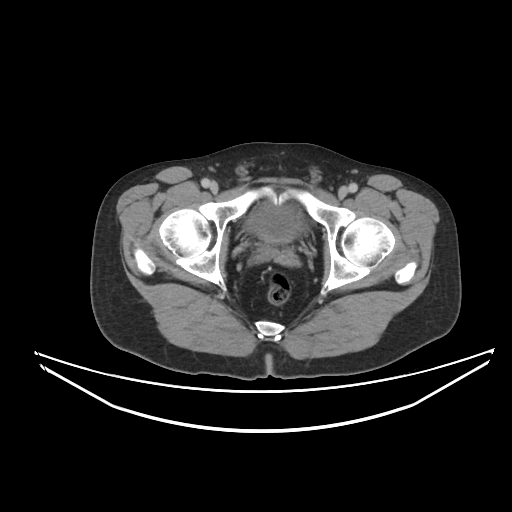

CT, abdomen/pelvis — axial view — W/L 400/40 HU — 512x512 px — 40-year-old male patient — scan has 15 labeled organs (that count is for the whole scan; organs this slice misses have no box)
Boxes: x1:y1:x2:y2 in pixels.
Organ bounding boxes:
- bladder: 246:205:304:244